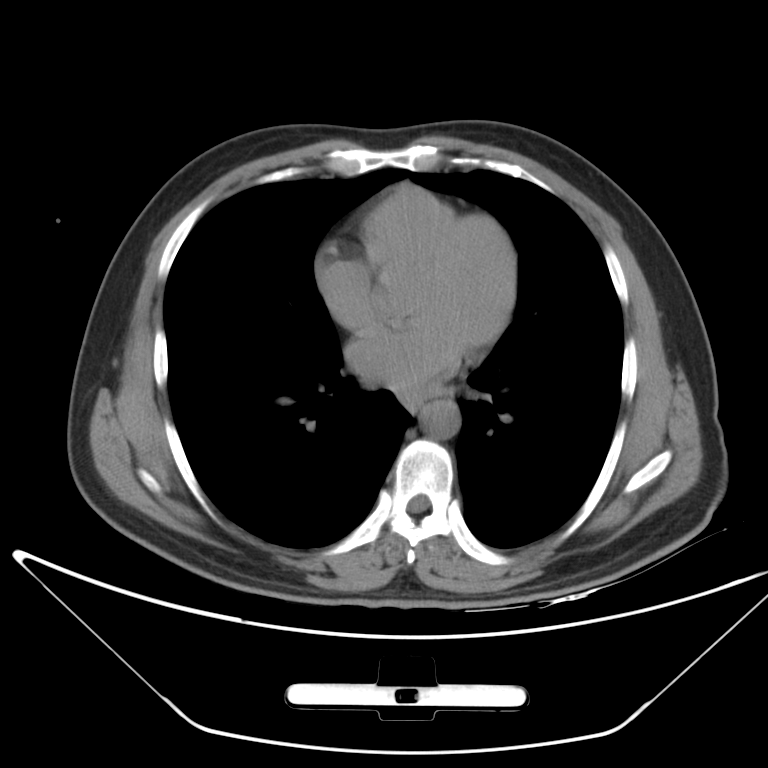

Lower-chest slice from an abdominal CT, just above the liver and spleen; axial view; scan has 15 labeled organs (that count is for the whole scan; organs this slice misses have no box)
Of the structures in the chest, this dataset labels only the esophagus, the aorta and the inferior vena cava; the heart and lungs have no label. Box edges are left/top/right/bottom in pixels. Labeled organs on this slice: aorta at left=420, top=400, right=460, bottom=439.